CT, abdomen/pelvis — axial view — 512x512 px — SOMATOM Force scanner
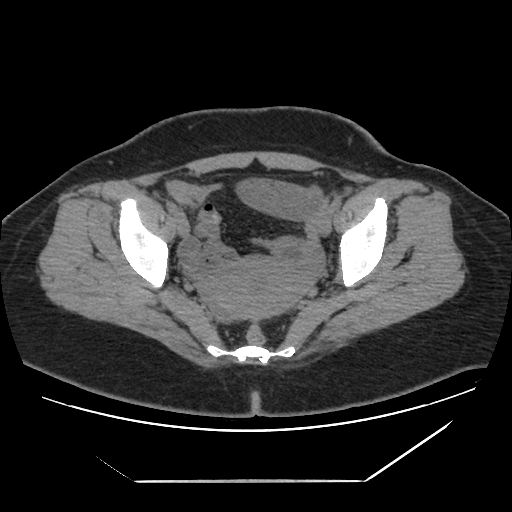 Each box given as x1,y1,x2,y2. 1 labeled organ on this slice — prostate/uterus at x1=201, y1=258, x2=306, y2=321.